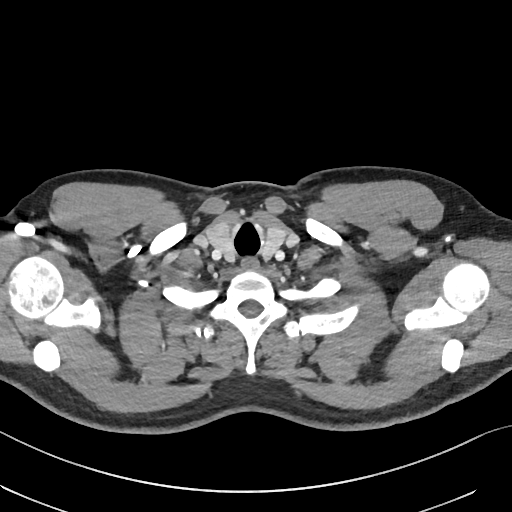 Chest-level CT slice, above the liver and spleen · Axial slice 304/307 · soft-tissue window (W 400 / L 40) · 512x512 px
On a slice this high in the chest, this dataset labels only the esophagus and the aorta, and each is boxed only where it is labeled; the heart, lungs and other chest structures are not labeled.
Coordinates as <box>x1,y1,x2,y2</box> in pixels.
Organ bounding boxes:
- esophagus: <box>241,259,258,269</box>